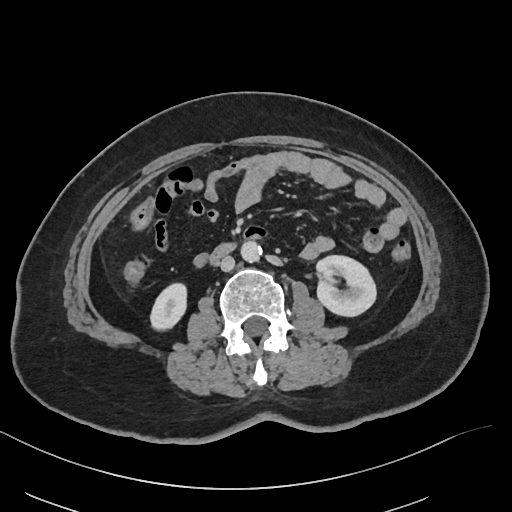

Abdominal CT. axial view. soft-tissue window
Bounding boxes in pixels, one row per box: x1, y1 is the top-left corner and x2, y2 the bottom-right.
| organ | x1 | y1 | x2 | y2 |
|---|---|---|---|---|
| right kidney | 150 | 283 | 186 | 330 |
| left kidney | 316 | 255 | 376 | 316 |
| aorta | 241 | 241 | 262 | 262 |
| inferior vena cava | 220 | 256 | 234 | 271 |
| duodenum | 211 | 243 | 234 | 262 |